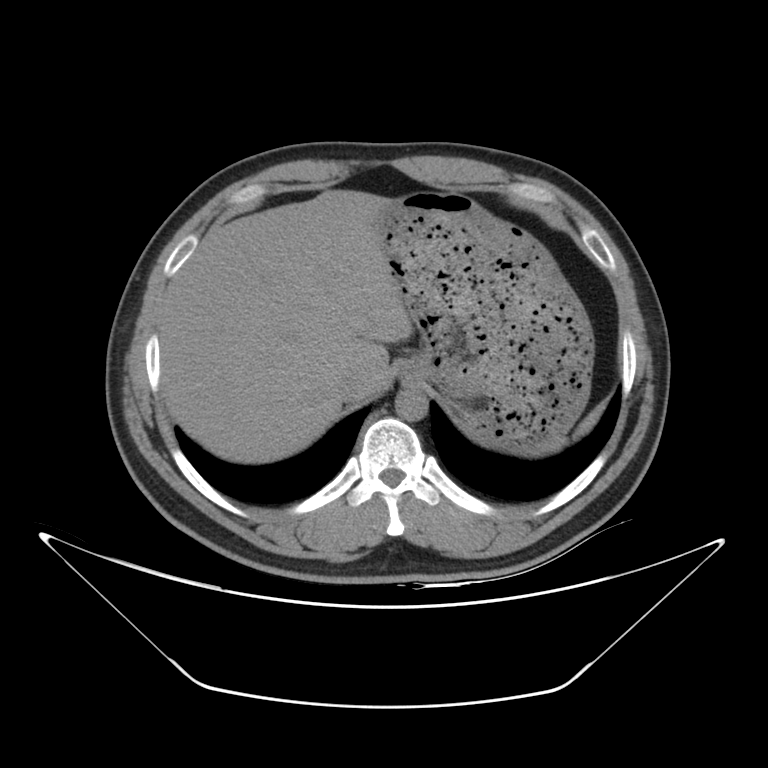 Abdominal CT. Axial slice 92/100. 15 organs annotated in this scan (that count is for the whole scan; organs this slice misses have no box)
Each box given as x1,y1,x2,y2.
spleen: x1=540, y1=408, x2=600, y2=452
liver: x1=160, y1=190, x2=412, y2=463
stomach: x1=376, y1=192, x2=593, y2=453
aorta: x1=395, y1=387, x2=429, y2=421
inferior vena cava: x1=337, y1=367, x2=371, y2=402